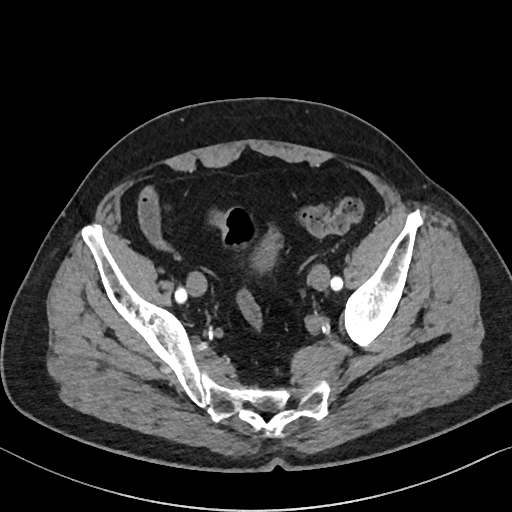

Abdominal CT — axial view — soft-tissue window (W 400 / L 40) — 512x512 px
{"organs":{"bladder":[255,224,279,274]}}